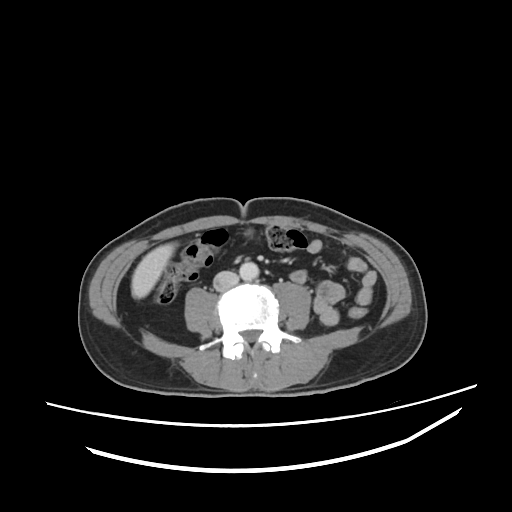
CT, abdomen/pelvis. axial view. abdomen soft-tissue window
Boxes are (x1, y1, x2, y2) in pixels.
Organ bounding boxes:
- liver: (131, 243, 175, 298)
- aorta: (239, 262, 258, 280)
- inferior vena cava: (213, 271, 238, 291)